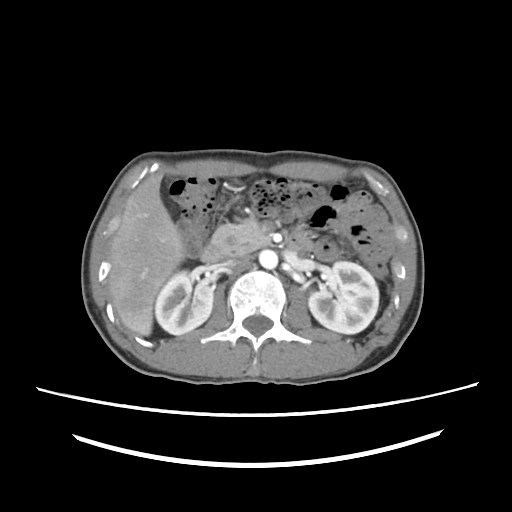
CT abdomen — Axial slice 26/90 — abdomen soft-tissue window — 51-year-old male patient — scan has 13 labeled organs (that count is for the whole scan; organs this slice misses have no box)
{"organs":{"right kidney":[155,271,213,335],"left kidney":[308,261,378,333],"liver":[109,175,183,335],"aorta":[258,250,277,268],"inferior vena cava":[228,258,250,270],"pancreas":[210,217,277,255],"duodenum":[200,232,315,264]}}